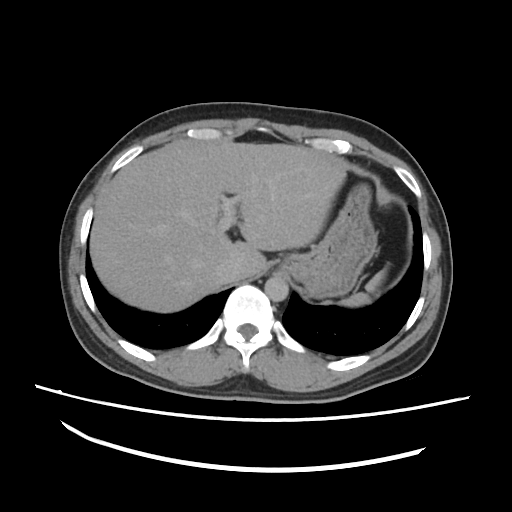 Abdominal CT. axial plane, index 83. soft-tissue window (W 400 / L 40). 512x512 px
Boxes are (x1, y1, x2, y2) in pixels.
Organ bounding boxes:
- spleen: (341, 269, 386, 306)
- liver: (90, 140, 346, 312)
- stomach: (282, 184, 376, 299)
- aorta: (264, 275, 288, 300)
- inferior vena cava: (216, 260, 245, 284)